CT abdomen — axial view
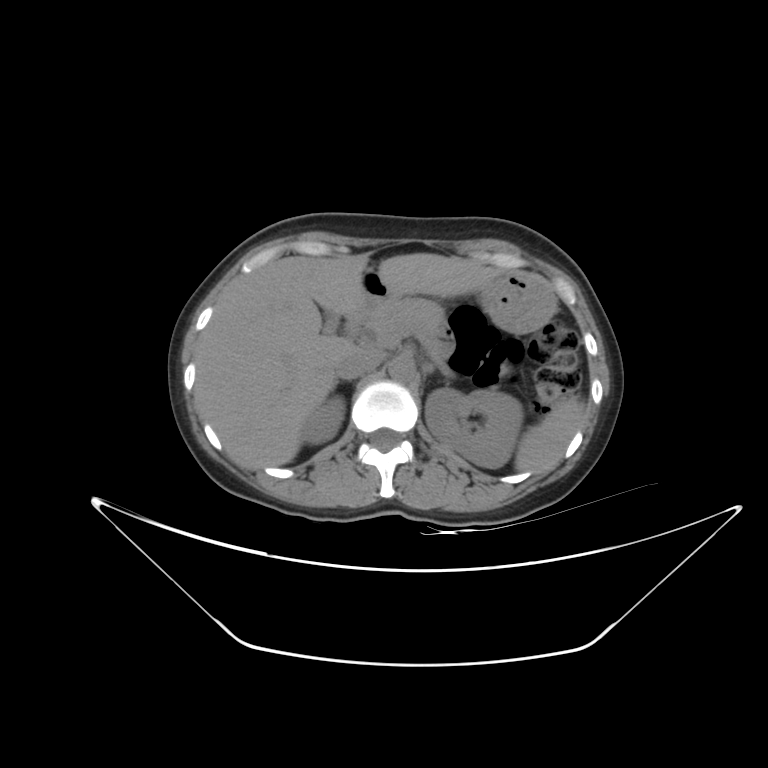 Each box given as x1,y1,x2,y2.
Organ bounding boxes:
- spleen: x1=514, y1=402, x2=584, y2=472
- right kidney: x1=303, y1=396, x2=345, y2=445
- left kidney: x1=425, y1=387, x2=522, y2=468
- gall bladder: x1=324, y1=310, x2=340, y2=331
- liver: x1=194, y1=253, x2=496, y2=469
- stomach: x1=362, y1=268, x2=555, y2=332
- aorta: x1=388, y1=358, x2=415, y2=382
- inferior vena cava: x1=335, y1=349, x2=384, y2=379
- pancreas: x1=363, y1=298, x2=443, y2=345
- duodenum: x1=347, y1=289, x2=387, y2=335